Abdominal CT · axial view · W/L 400/40 HU
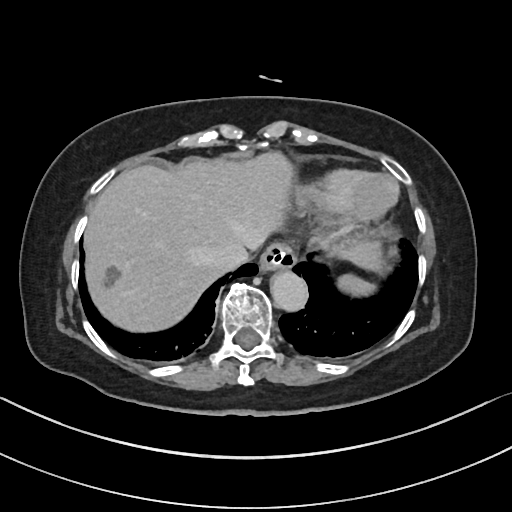 Bounding boxes in pixels, one row per box: x1, y1 is the top-left corner and x2, y2 the bottom-right.
| organ | x1 | y1 | x2 | y2 |
|---|---|---|---|---|
| spleen | 340 | 275 | 376 | 296 |
| esophagus | 259 | 245 | 294 | 272 |
| liver | 85 | 154 | 381 | 332 |
| aorta | 271 | 272 | 308 | 312 |
| inferior vena cava | 213 | 242 | 260 | 268 |